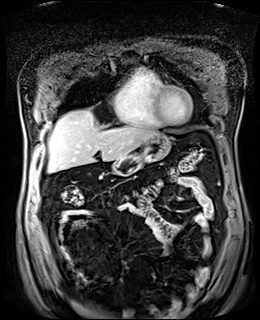 Magnetic resonance imaging, abdomen. coronal acquisition. percentile-normalized
{"organs":{"liver":[48,110,159,172],"stomach":[112,134,170,175]}}